CT abdomen — Axial slice 20/88 — soft-tissue window (W 400 / L 40) — 512x512 px
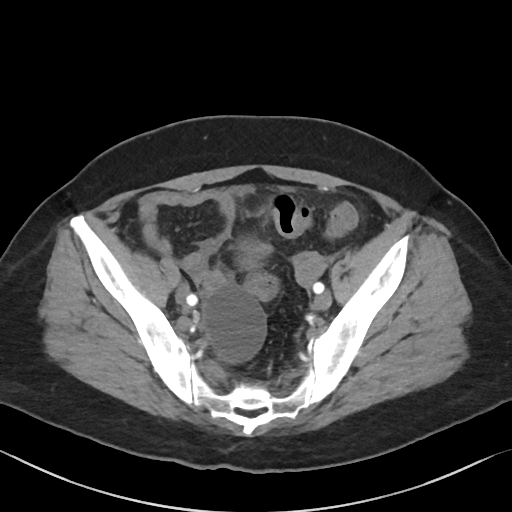 Box edges are left/top/right/bottom in pixels.
prostate/uterus: left=239, top=239, right=269, bottom=266